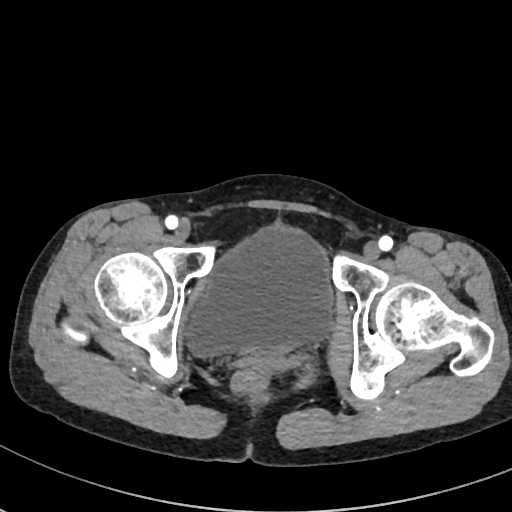 Computed tomography, abdomen. axial view. W/L 400/40 HU. 15 organs annotated in this scan (counted over the whole 3D scan, not this slice; an organ is boxed only where this slice passes through it)
Boxes are (x1, y1, x2, y2) in pixels.
bladder: (184, 228, 334, 358)